Abdominal CT reaching into the chest; this slice is in the chest — axial plane, index 342 — soft-tissue window, W/L 400/40 — 512x512 px
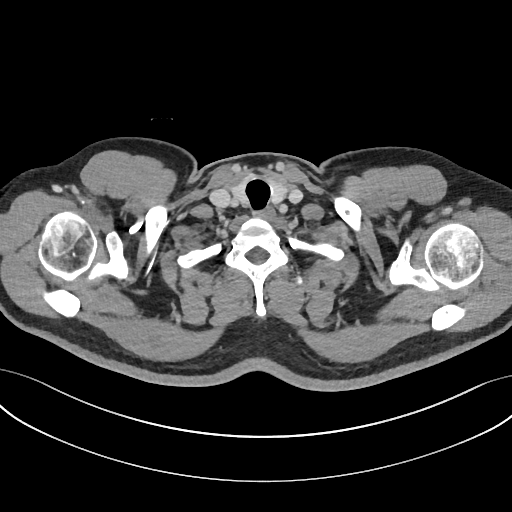 At this level of the chest this dataset labels only the esophagus and the aorta, and each is boxed only where it is labeled; the heart and lungs are never labeled.
Organ boxes in pixel coordinates; each row gives the top-left (x1, y1) and bottom-right (x2, y2) corners.
| organ | x1 | y1 | x2 | y2 |
|---|---|---|---|---|
| esophagus | 263 | 208 | 273 | 220 |